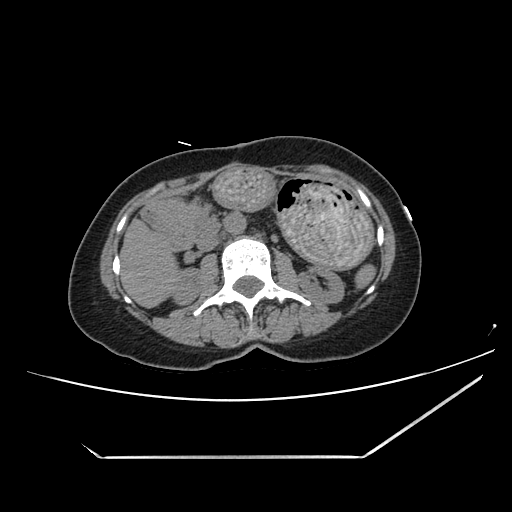
CT abdomen — axial view
<organs><organ name="spleen" x1="354" y1="264" x2="375" y2="288"/><organ name="right kidney" x1="174" y1="270" x2="200" y2="304"/><organ name="left kidney" x1="297" y1="267" x2="344" y2="302"/><organ name="liver" x1="119" y1="217" x2="177" y2="308"/><organ name="stomach" x1="214" y1="165" x2="372" y2="267"/><organ name="aorta" x1="225" y1="213" x2="246" y2="234"/><organ name="inferior vena cava" x1="197" y1="233" x2="218" y2="252"/><organ name="pancreas" x1="164" y1="199" x2="209" y2="235"/><organ name="duodenum" x1="142" y1="199" x2="218" y2="249"/></organs>